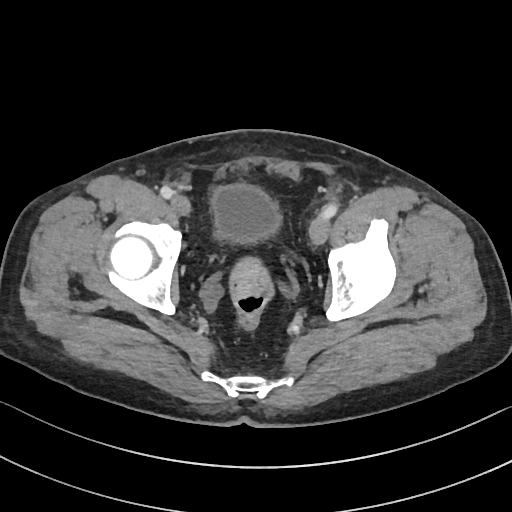 CT abdomen. axial view. 512x512 px
Boxes: x1:y1:x2:y2 in pixels. The annotated organs in this slice are: bladder at 211:183:282:242.